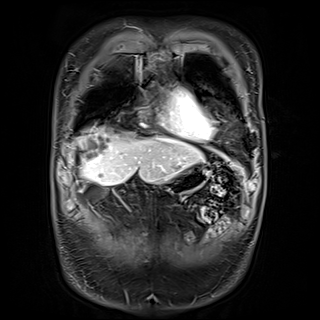
Abdominal MR · coronal acquisition · 1st–99th percentile window · scan has 13 labeled organs (that count is for the whole scan; organs this slice misses have no box)
Bounding boxes in pixels, one row per box: x1, y1 is the top-left corner and x2, y2 the bottom-right.
| organ | x1 | y1 | x2 | y2 |
|---|---|---|---|---|
| gall bladder | 76 | 182 | 84 | 190 |
| liver | 73 | 128 | 203 | 185 |
| stomach | 164 | 164 | 209 | 193 |